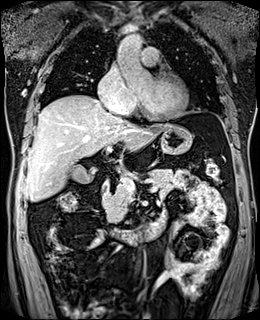
Abdominal MRI; coronal view; Prisma scanner; 13 organs annotated in this scan (counted over the whole 3D scan, not this slice; an organ is boxed only where this slice passes through it)
<organs><organ name="stomach" x1="106" y1="125" x2="192" y2="180"/><organ name="duodenum" x1="102" y1="181" x2="164" y2="243"/><organ name="liver" x1="25" y1="95" x2="168" y2="201"/><organ name="gall bladder" x1="71" y1="165" x2="94" y2="183"/><organ name="pancreas" x1="102" y1="169" x2="172" y2="222"/><organ name="aorta" x1="118" y1="34" x2="142" y2="48"/></organs>